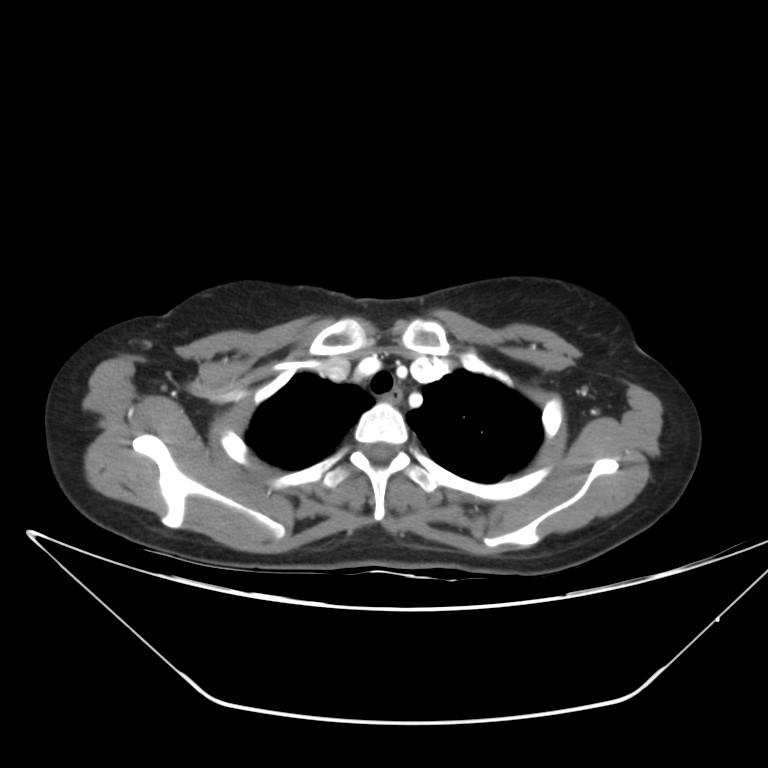 CT of the abdomen extending into the chest, slice through the chest. axial view. 768x768 px
At this level of the chest this dataset labels only the esophagus and the aorta, and each is boxed only where it is labeled; the heart and lungs are never labeled. Box edges are left/top/right/bottom in pixels. Labeled organs on this slice: esophagus at left=384, top=386, right=398, bottom=401.